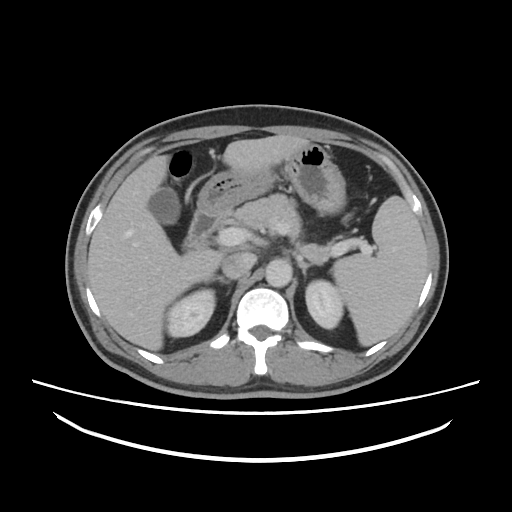
CT, abdomen/pelvis · Axial slice 76/133 · scan has 15 labeled organs (counted over the whole 3D scan, not this slice; an organ is boxed only where this slice passes through it)
<organs><organ name="right adrenal gland" x1="205" y1="276" x2="230" y2="283"/><organ name="aorta" x1="265" y1="259" x2="292" y2="287"/><organ name="left kidney" x1="305" y1="280" x2="343" y2="328"/><organ name="liver" x1="87" y1="135" x2="369" y2="350"/><organ name="left adrenal gland" x1="298" y1="260" x2="319" y2="275"/><organ name="pancreas" x1="232" y1="194" x2="331" y2="262"/><organ name="duodenum" x1="183" y1="210" x2="227" y2="251"/><organ name="right kidney" x1="167" y1="289" x2="214" y2="337"/><organ name="gall bladder" x1="148" y1="187" x2="180" y2="225"/><organ name="spleen" x1="332" y1="196" x2="427" y2="344"/><organ name="inferior vena cava" x1="222" y1="252" x2="256" y2="278"/><organ name="stomach" x1="197" y1="144" x2="345" y2="214"/></organs>